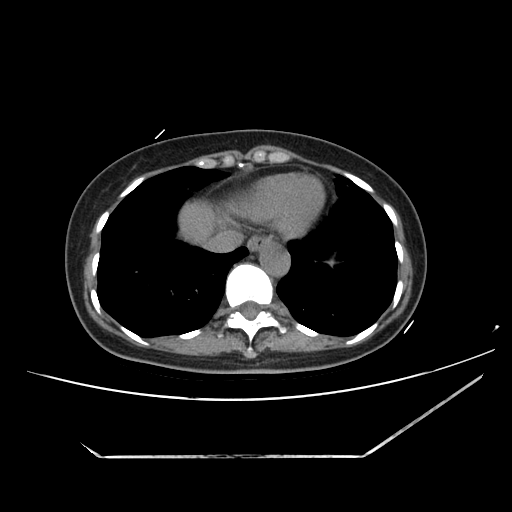
Computed tomography, abdomen — axial view — soft-tissue window
{"organs":{"inferior vena cava":[205,229,242,253],"liver":[179,201,216,244],"aorta":[259,239,289,276],"esophagus":[247,235,267,252]}}